CT, abdomen/pelvis · axial view · 512x512 px · 15 organs annotated in this scan (a whole-scan count: organs this slice does not pass through have no box)
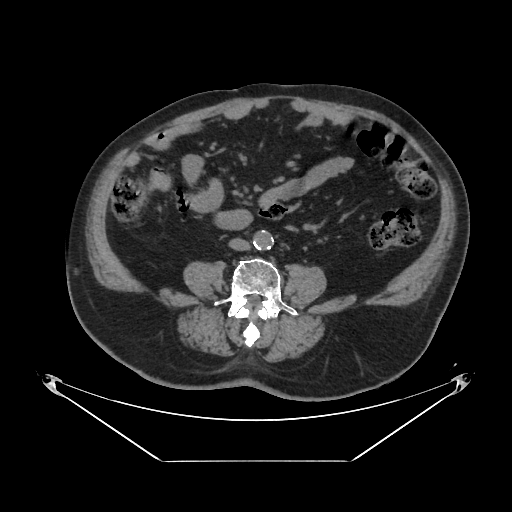 Boxes: x1 y1 x2 y2 (pixel coords, space-separated).
aorta: 253 230 273 249
inferior vena cava: 229 238 249 250